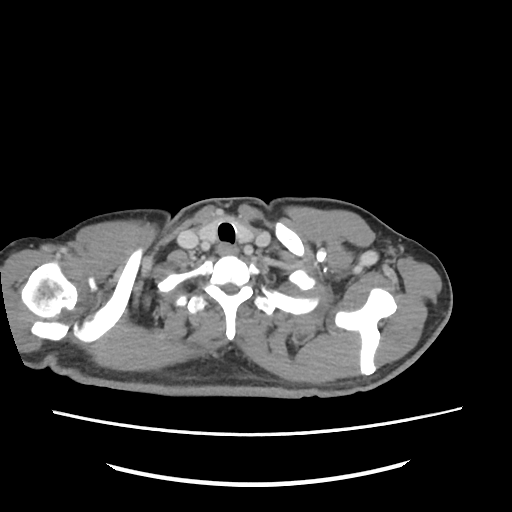 Chest-level CT slice, above the liver and spleen; axial plane, index 122; soft-tissue window, W/L 400/40
At this level of the chest no structure but the esophagus and the aorta has a label in this dataset, and those two are boxed only where they are labeled.
{"organs":{"esophagus":[216,243,237,256]}}